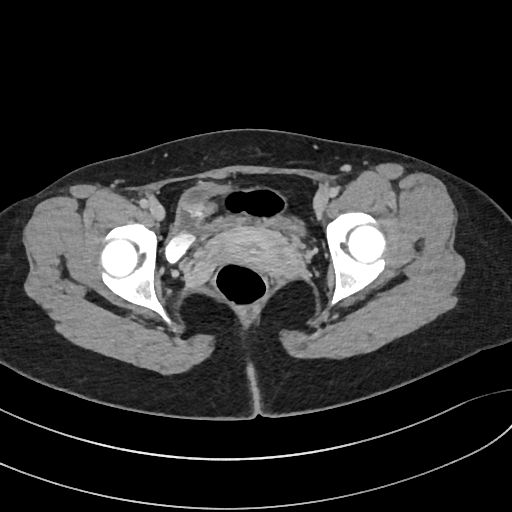 Computed tomography, abdomen; axial plane, index 39; 512x512 px; acquired on SOMATOM Force
{"organs":{"bladder":[165,182,304,262],"prostate/uterus":[211,226,300,277]}}